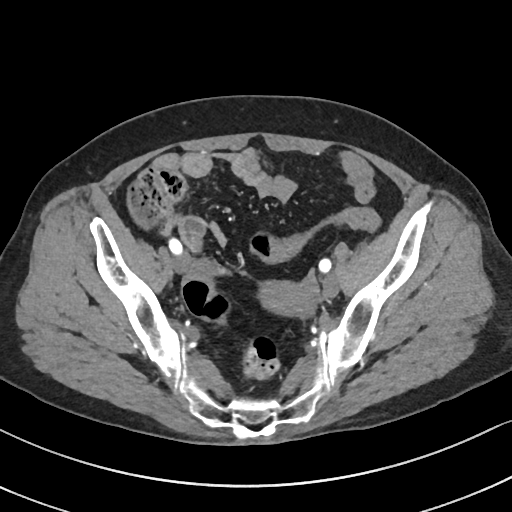 CT, abdomen/pelvis. axial view. 15 organs annotated in this scan (counted over the whole 3D scan, not this slice; an organ is boxed only where this slice passes through it)
Boxes are (x1, y1, x2, y2) in pixels. Labeled organs on this slice: prostate/uterus at (262, 280, 314, 316).